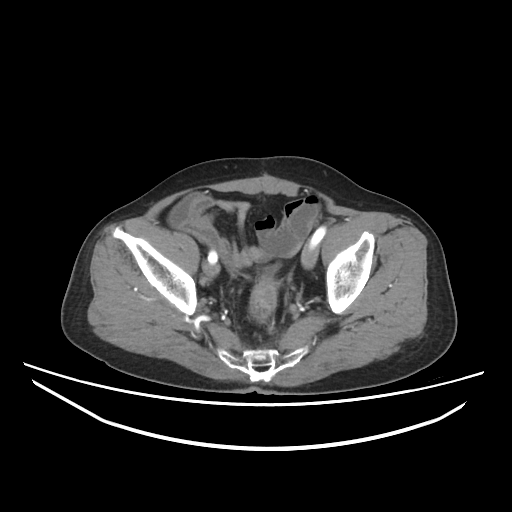
Computed tomography, abdomen. axial view. W/L 400/40 HU. 512x512 px. scan has 15 labeled organs (counted over the whole 3D scan, not this slice; an organ is boxed only where this slice passes through it)
Boxes are (x1, y1, x2, y2) in pixels.
bladder: (266, 267, 277, 273)